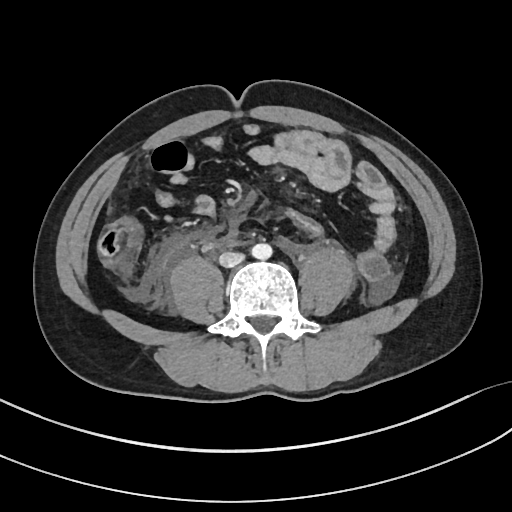
Abdominal CT. axial view
{"organs":{"aorta":[251,243,271,259],"inferior vena cava":[219,251,244,267]}}